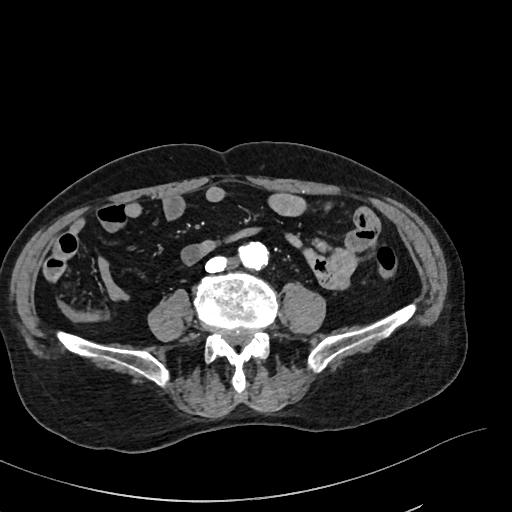

Computed tomography, abdomen · axial view · soft-tissue window · scan has 15 labeled organs (a whole-scan count: organs this slice does not pass through have no box)
<organs><organ name="aorta" x1="237" y1="242" x2="267" y2="269"/><organ name="inferior vena cava" x1="205" y1="257" x2="226" y2="272"/></organs>